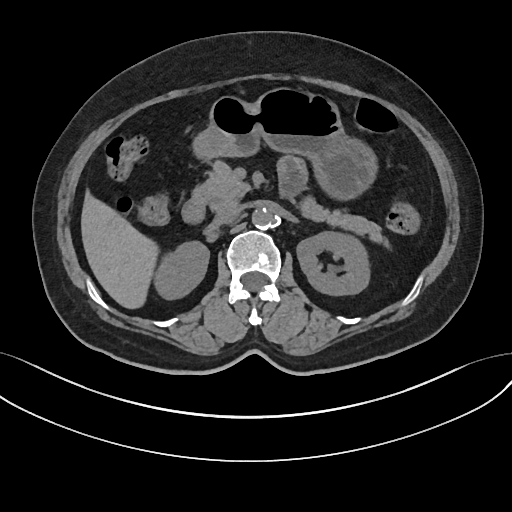

CT, abdomen/pelvis. axial view. soft-tissue window
<organs><organ name="right kidney" x1="156" y1="242" x2="209" y2="298"/><organ name="left kidney" x1="296" y1="232" x2="368" y2="296"/><organ name="liver" x1="80" y1="190" x2="156" y2="310"/><organ name="stomach" x1="192" y1="87" x2="377" y2="198"/><organ name="aorta" x1="252" y1="208" x2="275" y2="230"/><organ name="inferior vena cava" x1="213" y1="206" x2="241" y2="225"/><organ name="pancreas" x1="199" y1="161" x2="389" y2="250"/><organ name="duodenum" x1="182" y1="188" x2="205" y2="223"/></organs>